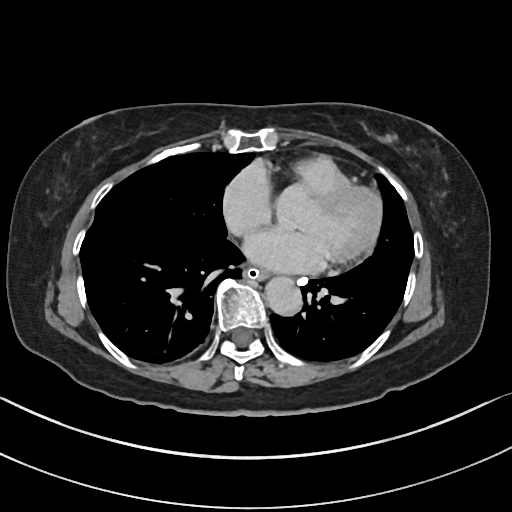 Abdominal CT; this slice is in the lower chest, just above the liver. axial plane, index 208. 512x512 px
The heart and lungs are never labeled in this dataset, so they have no box on this slice.
Coordinates as <box>x1,y1,x2,y2</box> in pixels.
esophagus: <box>246,268,270,280</box>
aorta: <box>265,276,302,315</box>